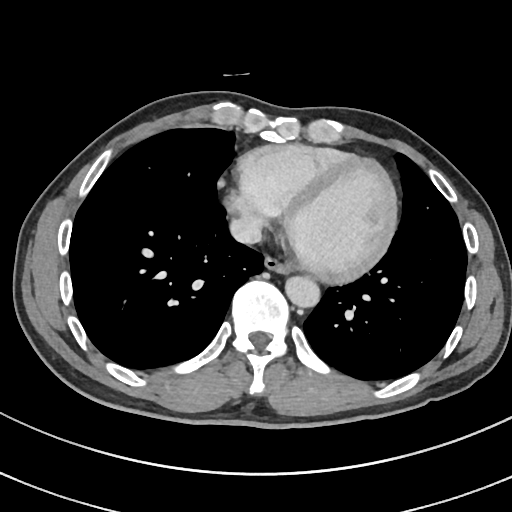
Lower-chest slice from an abdominal CT, just above the liver and spleen · axial view
No part of the heart or lungs is labeled in this dataset, so neither has a box here. Coordinates as <box>x1,y1,x2,y2</box> in pixels. 3 labeled organs on this slice — esophagus at <box>265,255,289,273</box>; aorta at <box>284,275,319,307</box>; inferior vena cava at <box>229,217,262,244</box>.